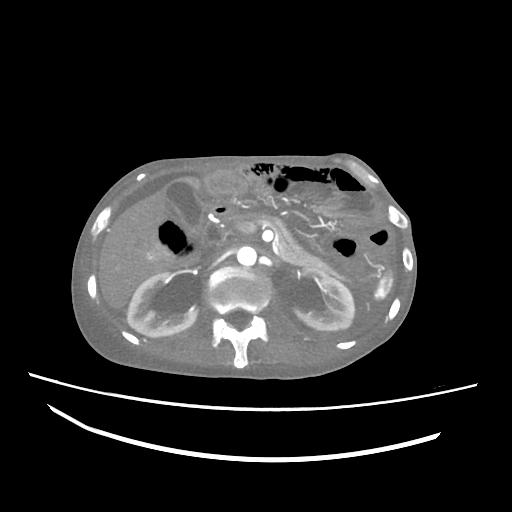

CT, abdomen/pelvis. axial view. 512x512 px. 15 organs annotated in this scan (a whole-scan count: organs this slice does not pass through have no box)
Bounding boxes in pixels, one row per box: x1, y1 is the top-left corner and x2, y2 the bottom-right.
| organ | x1 | y1 | x2 | y2 |
|---|---|---|---|---|
| spleen | 374 | 272 | 393 | 300 |
| right kidney | 127 | 272 | 197 | 337 |
| left kidney | 287 | 269 | 354 | 330 |
| gall bladder | 167 | 182 | 202 | 229 |
| liver | 98 | 177 | 203 | 309 |
| aorta | 237 | 246 | 256 | 266 |
| inferior vena cava | 203 | 248 | 223 | 265 |
| pancreas | 225 | 214 | 335 | 275 |
| duodenum | 198 | 221 | 223 | 254 |